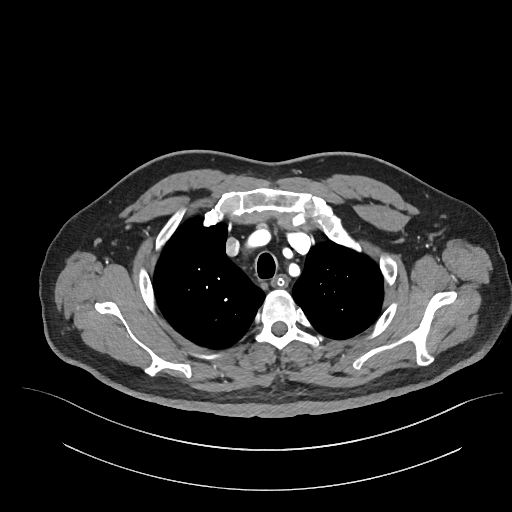 CT of the abdomen extending into the chest, slice through the chest; axial view; 15 organs annotated in this scan (a whole-scan count: organs this slice does not pass through have no box)
On a slice this high in the chest, this dataset labels only the esophagus and the aorta, and each is boxed only where it is labeled; the heart, lungs and other chest structures are not labeled. Bounding boxes as [x1, y1, x2, y2] in pixel coordinates. 1 labeled organ on this slice — esophagus at [276, 274, 287, 285].